Abdominal CT — axial view — abdomen soft-tissue window — 15 organs annotated in this scan (counted over the whole 3D scan, not this slice; an organ is boxed only where this slice passes through it)
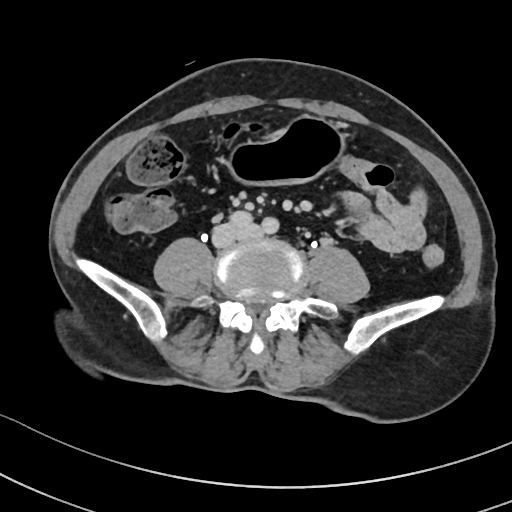 Boxes: x1:y1:x2:y2 in pixels.
stomach: 227:116:344:184